CT, abdomen/pelvis. Axial slice 63/93
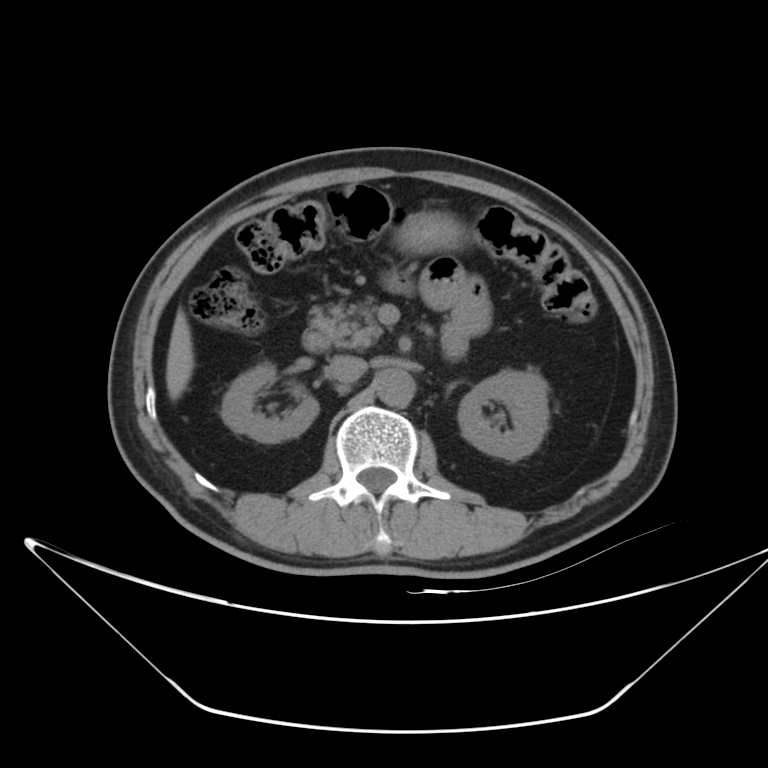
Box edges are left/top/right/bottom in pixels.
right kidney: left=221, top=368, right=318, bottom=443
left kidney: left=458, top=370, right=549, bottom=460
liver: left=166, top=309, right=193, bottom=400
stomach: left=395, top=211, right=465, bottom=254
aorta: left=375, top=368, right=414, bottom=407
inferior vena cava: left=329, top=356, right=366, bottom=383
pancreas: left=310, top=303, right=383, bottom=349
duodenum: left=302, top=324, right=331, bottom=352